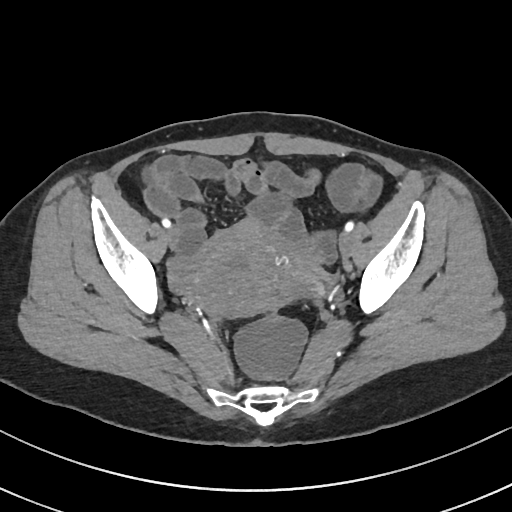 Abdominal CT — axial view — abdomen soft-tissue window
Organ boxes in pixel coordinates; each row gives the top-left (x1, y1) and bottom-right (x2, y2) corners.
| organ | x1 | y1 | x2 | y2 |
|---|---|---|---|---|
| prostate/uterus | 161 | 222 | 289 | 315 |